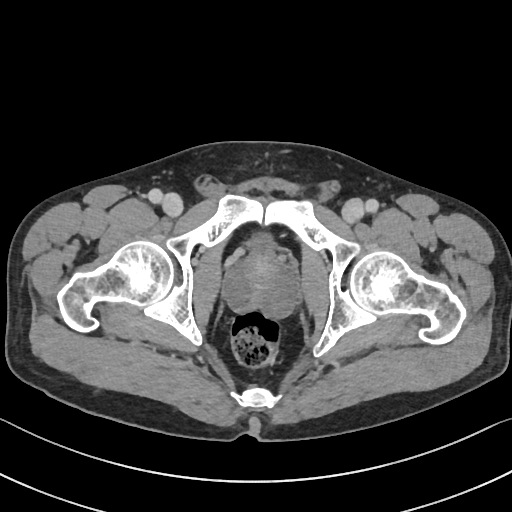
Abdominal CT. axial view. soft-tissue window (W 400 / L 40). scan has 15 labeled organs (counted over the whole 3D scan, not this slice; an organ is boxed only where this slice passes through it)
Coordinates as <box>x1,y1,x2,y2</box> in pixels.
bladder: <box>253,234,270,243</box>
prostate/uterus: <box>227,251,297,316</box>